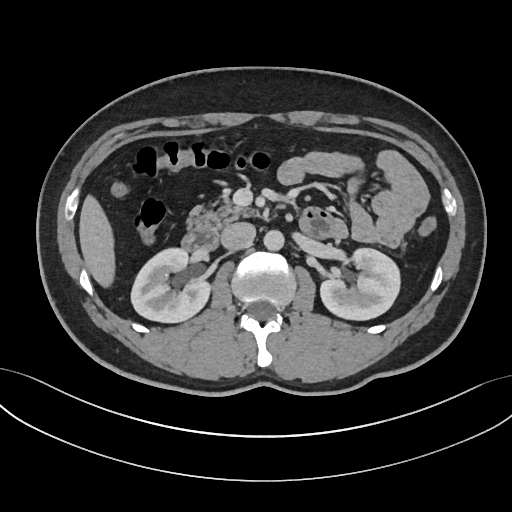

Computed tomography, abdomen. axial view
Boxes are (x1, y1, x2, y2) in pixels.
Organ bounding boxes:
- right kidney: (131, 248, 210, 322)
- left kidney: (320, 248, 400, 320)
- liver: (79, 195, 115, 287)
- aorta: (263, 230, 284, 250)
- inferior vena cava: (220, 222, 255, 250)
- pancreas: (186, 199, 256, 231)
- duodenum: (181, 231, 218, 251)